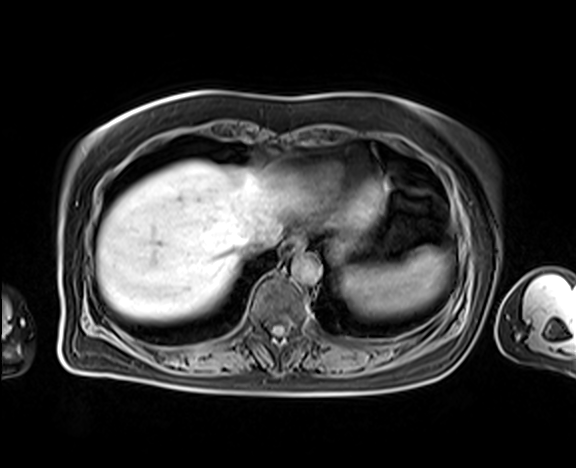

Abdominal MRI; axial view; 12 organs annotated in this scan (a whole-scan count: organs this slice does not pass through have no box)
<organs><organ name="stomach" x1="329" y1="235" x2="356" y2="260"/><organ name="esophagus" x1="281" y1="238" x2="303" y2="256"/><organ name="inferior vena cava" x1="241" y1="231" x2="278" y2="254"/><organ name="liver" x1="97" y1="161" x2="386" y2="319"/><organ name="aorta" x1="291" y1="257" x2="321" y2="284"/><organ name="spleen" x1="342" y1="247" x2="447" y2="315"/></organs>